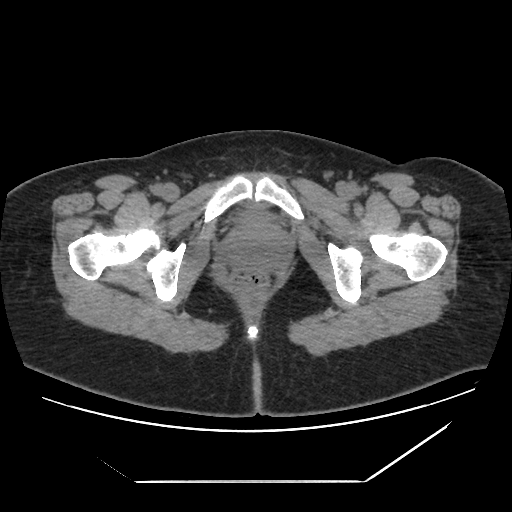 Abdominal CT — axial view
Boxes are (x1, y1, x2, y2) in pixels.
Organ bounding boxes:
- bladder: (240, 209, 268, 223)